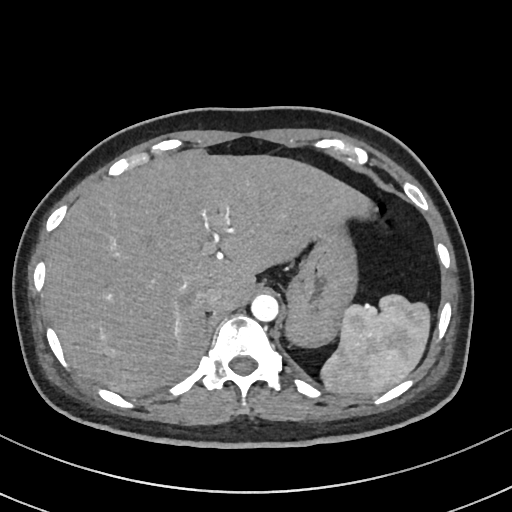

Computed tomography, abdomen; axial plane, index 164; W/L 400/40 HU; 512x512 px
<organs><organ name="spleen" x1="321" y1="295" x2="429" y2="396"/><organ name="liver" x1="44" y1="149" x2="371" y2="396"/><organ name="stomach" x1="285" y1="225" x2="357" y2="347"/><organ name="aorta" x1="251" y1="294" x2="278" y2="321"/><organ name="inferior vena cava" x1="194" y1="286" x2="222" y2="310"/></organs>